CT abdomen — axial plane, index 14
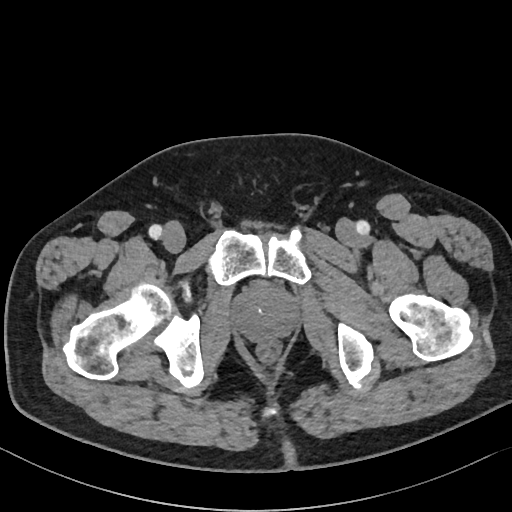 Boxes: x1:y1:x2:y2 in pixels.
Organ bounding boxes:
- prostate/uterus: 233:286:297:339